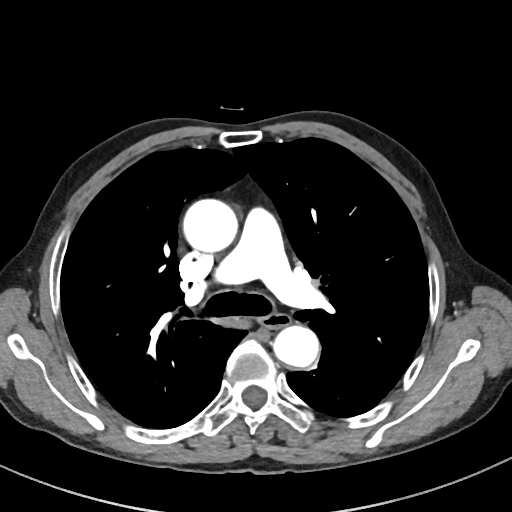

CT of the abdomen extending into the chest, slice through the chest · axial view · soft-tissue window (W 400 / L 40) · 512x512 px
At this level of the chest no structure but the esophagus and the aorta has a label in this dataset, and those two are boxed only where they are labeled.
Boxes are (x1, y1, x2, y2) in pixels.
esophagus: (259, 313, 290, 329)
aorta: (183, 199, 236, 252)
aorta: (274, 326, 319, 368)